Computed tomography, abdomen — Axial slice 239/252
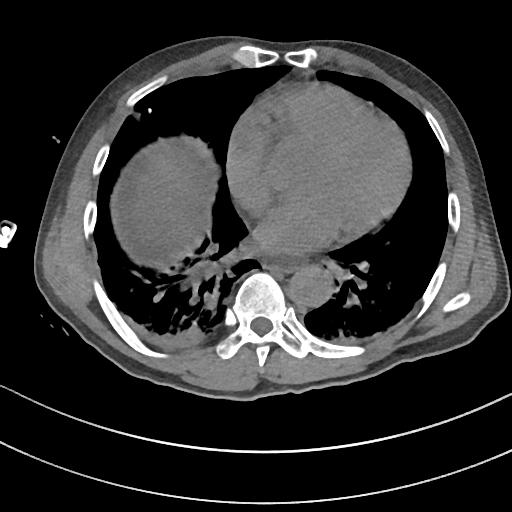 {"organs":{"aorta":[289,266,331,306],"esophagus":[263,255,305,272],"liver":[114,145,200,247]}}